CT, abdomen/pelvis; Axial slice 131/198; soft-tissue window (W 400 / L 40); 512x512 px; acquired on SOMATOM Force
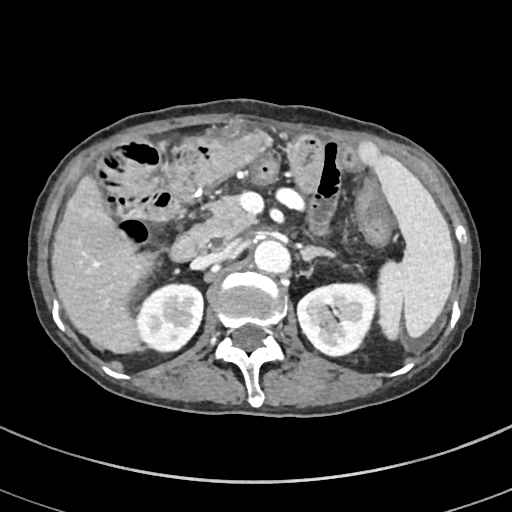
<organs><organ name="spleen" x1="357" y1="140" x2="455" y2="342"/><organ name="right kidney" x1="136" y1="284" x2="202" y2="352"/><organ name="left kidney" x1="298" y1="282" x2="375" y2="355"/><organ name="liver" x1="51" y1="136" x2="215" y2="351"/><organ name="aorta" x1="254" y1="241" x2="292" y2="275"/><organ name="inferior vena cava" x1="190" y1="250" x2="230" y2="269"/><organ name="pancreas" x1="190" y1="194" x2="253" y2="250"/><organ name="left adrenal gland" x1="301" y1="246" x2="335" y2="273"/><organ name="duodenum" x1="171" y1="223" x2="199" y2="260"/></organs>